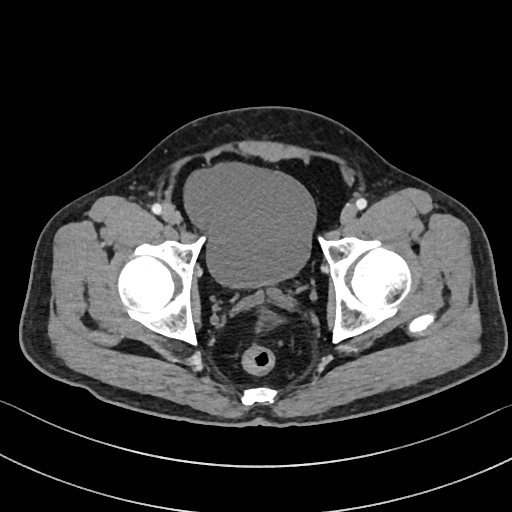
Abdominal CT · axial view · soft-tissue window (W 400 / L 40)
{"organs":{"bladder":[184,163,315,287]}}